Abdominal CT — axial plane, index 18 — 512x512 px — 31-year-old male patient — 15 organs annotated in this scan (a whole-scan count: organs this slice does not pass through have no box)
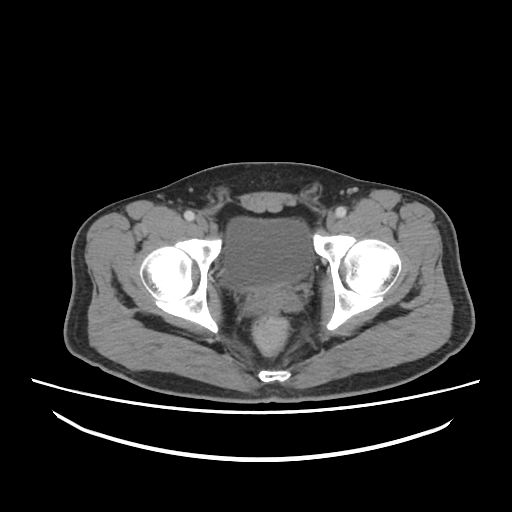

Bounding boxes in pixels, one row per box: x1, y1 is the top-left corner and x2, y2 the bottom-right.
| organ | x1 | y1 | x2 | y2 |
|---|---|---|---|---|
| bladder | 223 | 217 | 312 | 288 |